CT, abdomen/pelvis · axial view · acquired on SOMATOM Force
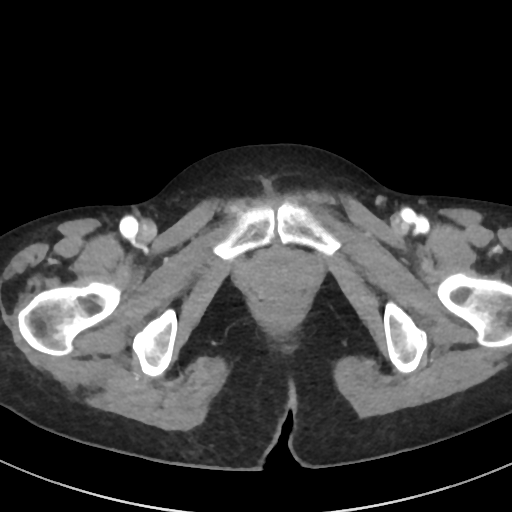

<organs><organ name="aorta" x1="25" y1="0" x2="64" y2="20"/></organs>